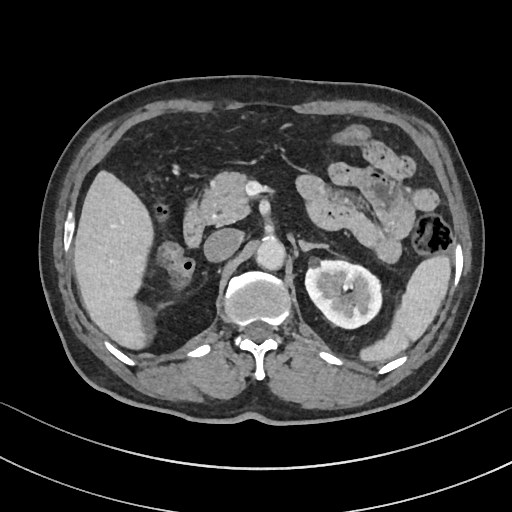 CT, abdomen/pelvis · Axial slice 166/221 · 512x512 px · SOMATOM Force scanner
Boxes: x1:y1:x2:y2 in pixels.
Organ bounding boxes:
- spleen: 359:256:449:362
- left kidney: 305:259:383:329
- liver: 74:171:152:347
- aorta: 255:237:284:269
- inferior vena cava: 204:228:240:260
- pancreas: 200:171:249:225
- left adrenal gland: 299:240:327:249
- duodenum: 183:200:205:248